Chest-level slice from an abdominal CT that extends up into the chest — axial plane, index 88 — soft-tissue window — 512x512 px — 15 organs annotated in this scan (counted over the whole 3D scan, not this slice; an organ is boxed only where this slice passes through it)
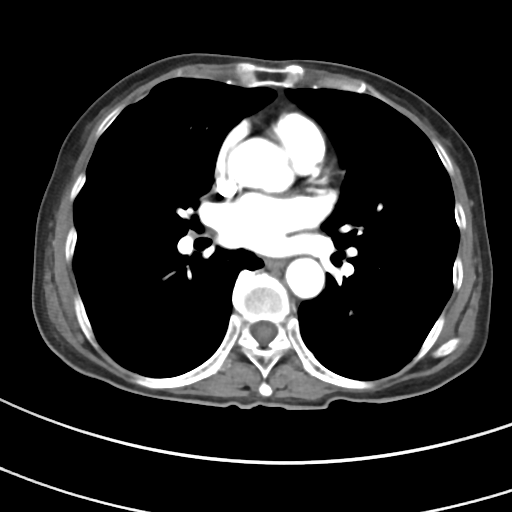 At this level of the chest this dataset labels only the esophagus and the aorta, and each is boxed only where it is labeled; the heart and lungs are never labeled.
Boxes: x1 y1 x2 y2 (pixel coords, space-separated).
Organ bounding boxes:
- esophagus: 267 259 283 268
- aorta: 227 138 295 194
- aorta: 285 258 324 298